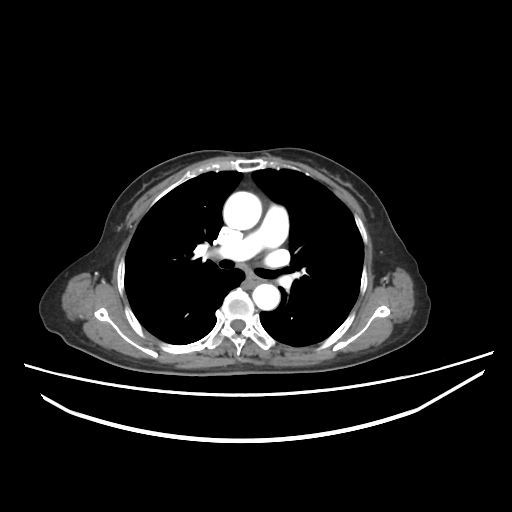
Abdominal CT reaching into the chest; this slice is in the chest · axial view · 512x512 px
On a slice this high in the chest, this dataset labels only the esophagus and the aorta, and each is boxed only where it is labeled; the heart, lungs and other chest structures are not labeled.
Organ boxes in pixel coordinates; each row gives the top-left (x1, y1) and bottom-right (x2, y2) corners.
| organ | x1 | y1 | x2 | y2 |
|---|---|---|---|---|
| esophagus | 245 | 275 | 266 | 284 |
| aorta | 223 | 193 | 261 | 231 |
| aorta | 253 | 284 | 281 | 309 |